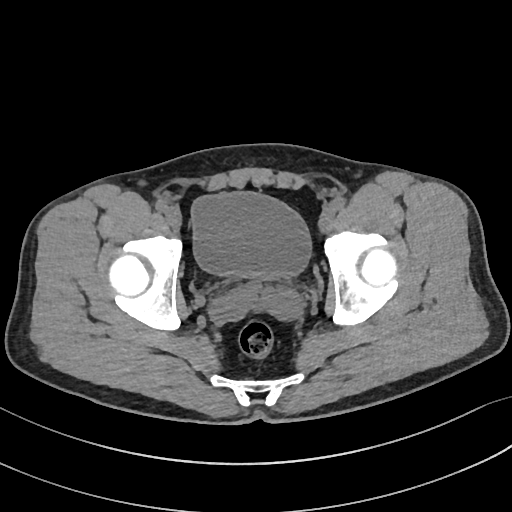 CT, abdomen/pelvis; axial view; soft-tissue window (W 400 / L 40)
Organ boxes in pixel coordinates; each row gives the top-left (x1, y1) and bottom-right (x2, y2) corners.
| organ | x1 | y1 | x2 | y2 |
|---|---|---|---|---|
| bladder | 191 | 192 | 311 | 278 |